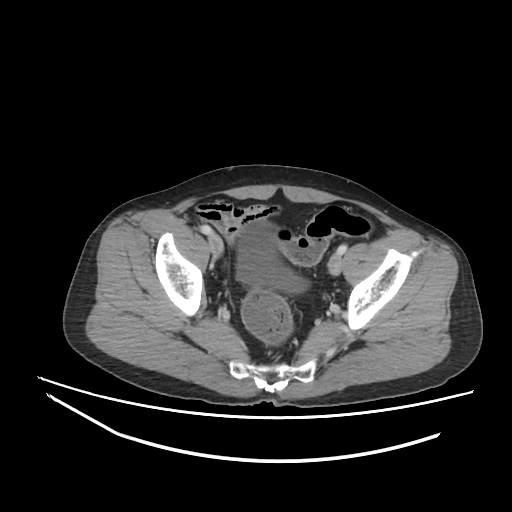

Computed tomography, abdomen · axial view · W/L 400/40 HU
Coordinates as <box>x1,y1,x2,y2</box> in pixels.
bladder: <box>236,223,307,293</box>